CT abdomen; axial view
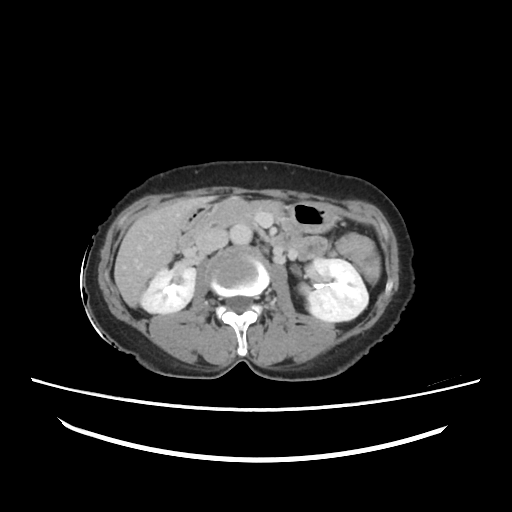

One row per box, in pixels: columns x1 and y1 give the top-left corner, x2 and y2 the bottom-right.
| organ | x1 | y1 | x2 | y2 |
|---|---|---|---|---|
| spleen | 365 | 262 | 378 | 282 |
| right kidney | 140 | 263 | 196 | 314 |
| left kidney | 231 | 224 | 369 | 322 |
| gall bladder | 176 | 236 | 179 | 252 |
| liver | 115 | 196 | 218 | 308 |
| stomach | 184 | 203 | 334 | 232 |
| aorta | 232 | 231 | 252 | 245 |
| inferior vena cava | 197 | 230 | 227 | 254 |
| pancreas | 195 | 197 | 301 | 239 |
| duodenum | 181 | 230 | 195 | 251 |